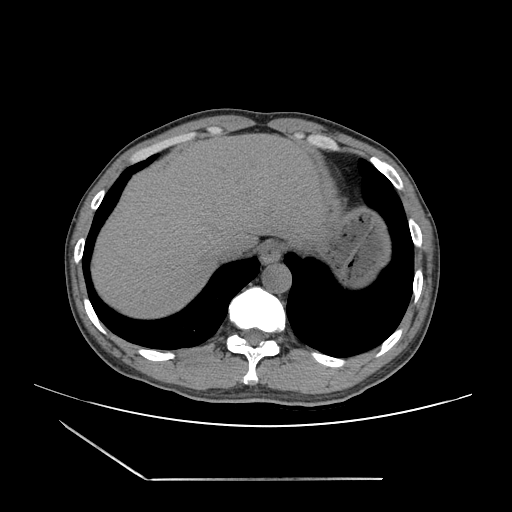 CT, abdomen/pelvis — axial view — abdomen soft-tissue window
<organs><organ name="esophagus" x1="259" y1="240" x2="282" y2="263"/><organ name="liver" x1="91" y1="133" x2="328" y2="318"/><organ name="stomach" x1="310" y1="209" x2="389" y2="286"/><organ name="aorta" x1="262" y1="263" x2="291" y2="293"/><organ name="inferior vena cava" x1="217" y1="235" x2="247" y2="260"/></organs>